Chest-level slice from an abdominal CT that extends up into the chest · axial view · soft-tissue window (W 400 / L 40)
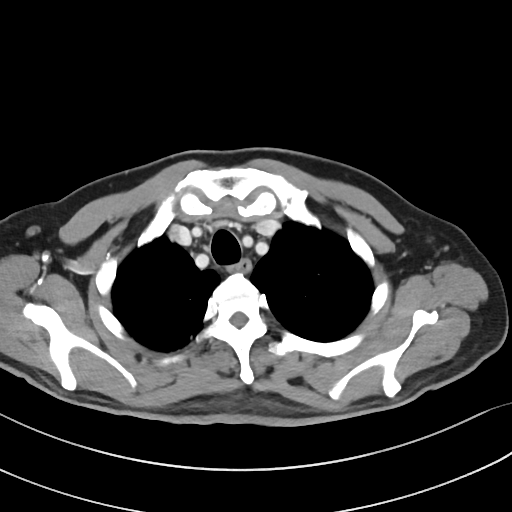 At this level of the chest no structure but the esophagus and the aorta has a label in this dataset, and those two are boxed only where they are labeled. Bounding boxes as [x1, y1, x2, y2] in pixel coordinates. The annotated organs in this slice are: esophagus at [230, 260, 251, 272].